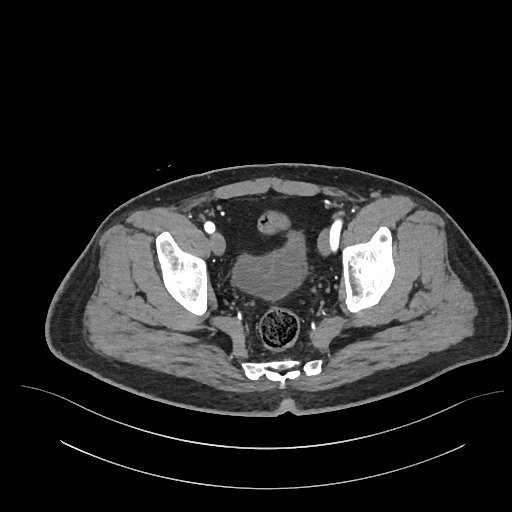

CT, abdomen/pelvis — axial view — soft-tissue window
<organs><organ name="bladder" x1="232" y1="231" x2="306" y2="299"/></organs>